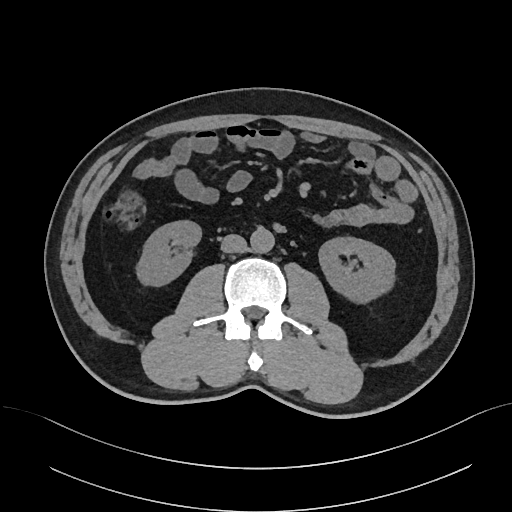

CT, abdomen/pelvis · axial view · soft-tissue window
Each box given as x1,y1,x2,y2. Labeled organs on this slice: right kidney at x1=138, y1=221, x2=200, y2=284, left kidney at x1=319, y1=236, x2=394, y2=301, aorta at x1=250, y1=227, x2=274, y2=253, inferior vena cava at x1=220, y1=234, x2=246, y2=253.